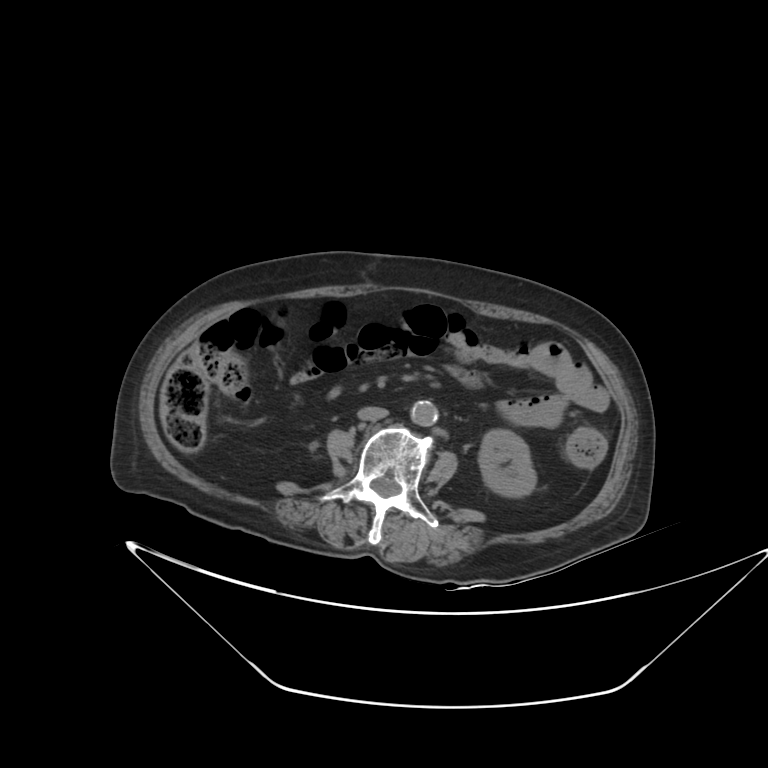 CT, abdomen/pelvis. axial view. 768x768 px. 80-year-old female patient. scan has 15 labeled organs (that count is for the whole scan; organs this slice misses have no box)
Bounding boxes in pixels, one row per box: x1, y1 is the top-left corner and x2, y2 the bottom-right.
| organ | x1 | y1 | x2 | y2 |
|---|---|---|---|---|
| left kidney | 478 | 429 | 536 | 496 |
| aorta | 411 | 401 | 437 | 426 |
| inferior vena cava | 357 | 407 | 388 | 420 |